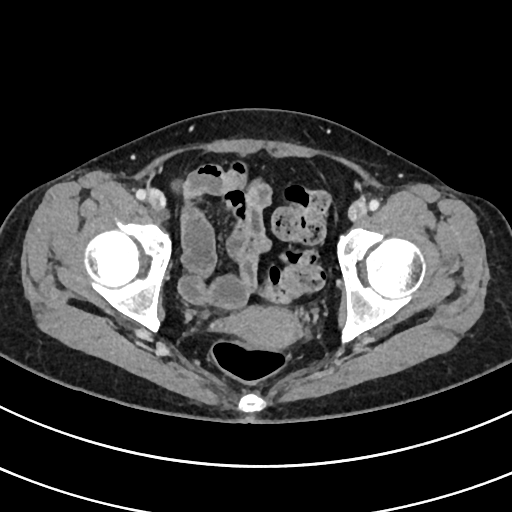

CT abdomen — axial plane, index 24 — W/L 400/40 HU — 512x512 px
Boxes: x1:y1:x2:y2 in pixels.
prostate/uterus: 224:305:303:348